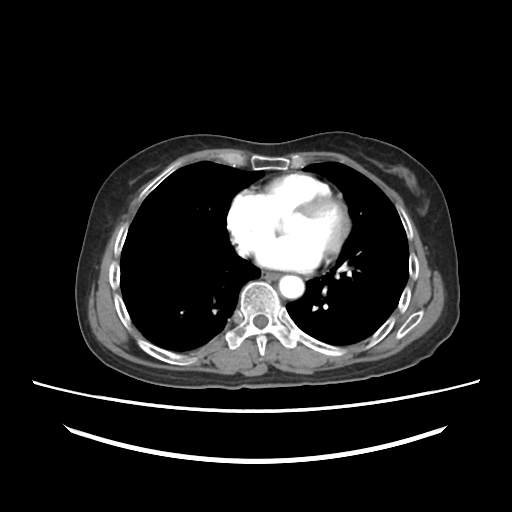
Abdominal CT; this slice is in the lower chest, just above the liver. Axial slice 89/96. soft-tissue window, W/L 400/40. scan has 15 labeled organs (a whole-scan count: organs this slice does not pass through have no box)
No part of the heart or lungs is labeled in this dataset, so neither has a box here. Bounding boxes as [x1, y1, x2, y2] in pixel coordinates. 2 labeled organs on this slice — esophagus at [263, 272, 279, 280]; aorta at [279, 275, 304, 298].